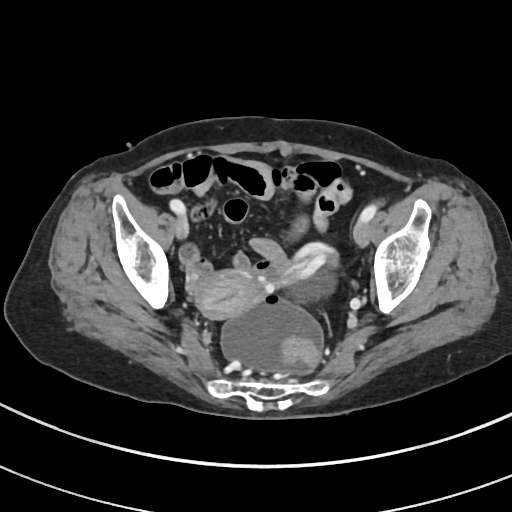

Computed tomography, abdomen — axial plane, index 39 — soft-tissue window (W 400 / L 40)
<organs><organ name="prostate/uterus" x1="192" y1="269" x2="259" y2="318"/></organs>